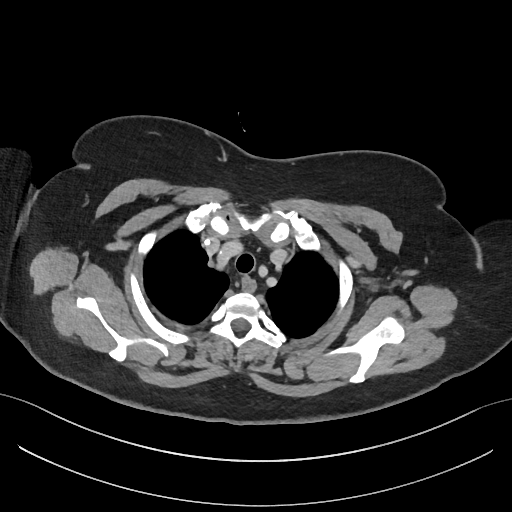

Chest-level CT slice, above the liver and spleen · axial view · soft-tissue window (W 400 / L 40)
On a slice this high in the chest, this dataset labels only the esophagus and the aorta, and each is boxed only where it is labeled; the heart, lungs and other chest structures are not labeled.
Organ boxes in pixel coordinates; each row gives the top-left (x1, y1) and bottom-right (x2, y2) corners.
| organ | x1 | y1 | x2 | y2 |
|---|---|---|---|---|
| esophagus | 242 | 276 | 257 | 290 |